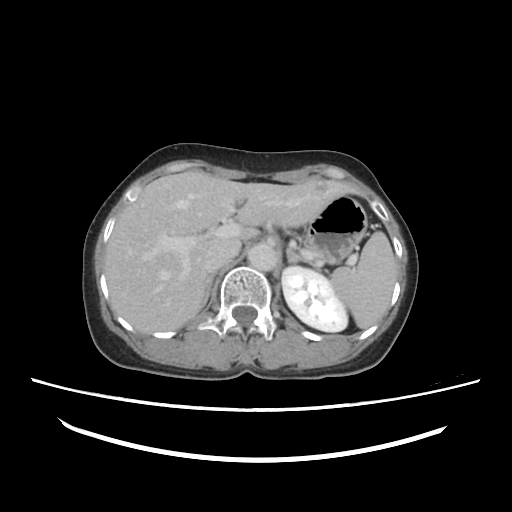
CT, abdomen/pelvis; axial plane, index 64; soft-tissue window; 512x512 px; 15 organs annotated in this scan (a whole-scan count: organs this slice does not pass through have no box)
Each box given as x1,y1,x2,y2.
Organ bounding boxes:
- spleen: x1=331, y1=230, x2=395, y2=329
- left kidney: x1=282, y1=265, x2=348, y2=331
- liver: x1=103, y1=169, x2=357, y2=333
- stomach: x1=301, y1=195, x2=367, y2=260
- aorta: x1=247, y1=244, x2=277, y2=270
- inferior vena cava: x1=204, y1=236, x2=241, y2=272
- right adrenal gland: x1=200, y1=272, x2=215, y2=309
- left adrenal gland: x1=286, y1=248, x2=323, y2=272